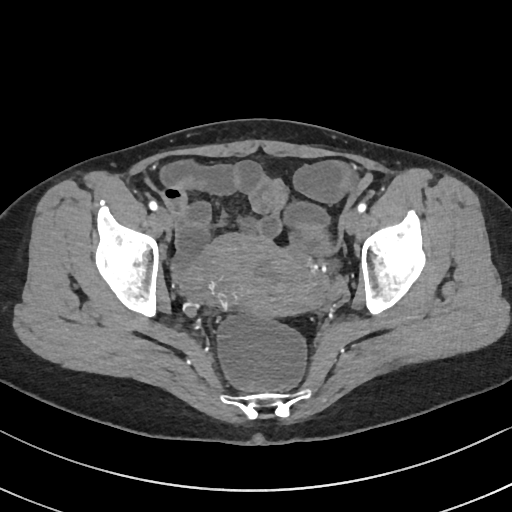 Computed tomography, abdomen — axial plane, index 62
Box edges are left/top/right/bottom in pixels. Labeled organs on this slice: prostate/uterus at left=203, top=233, right=314, bottom=316.